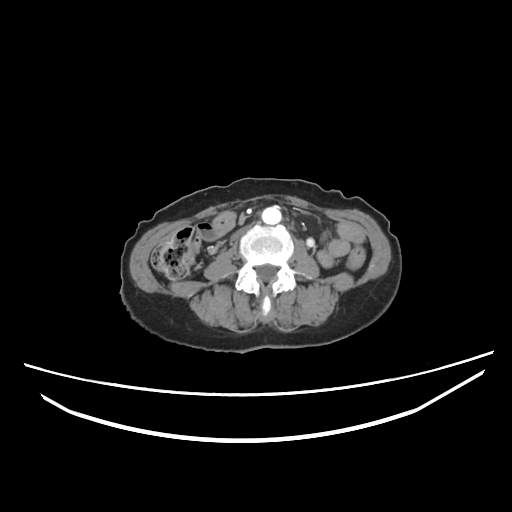
Computed tomography, abdomen. axial plane, index 51. W/L 400/40 HU
<organs><organ name="aorta" x1="261" y1="205" x2="281" y2="225"/><organ name="inferior vena cava" x1="231" y1="226" x2="249" y2="241"/></organs>